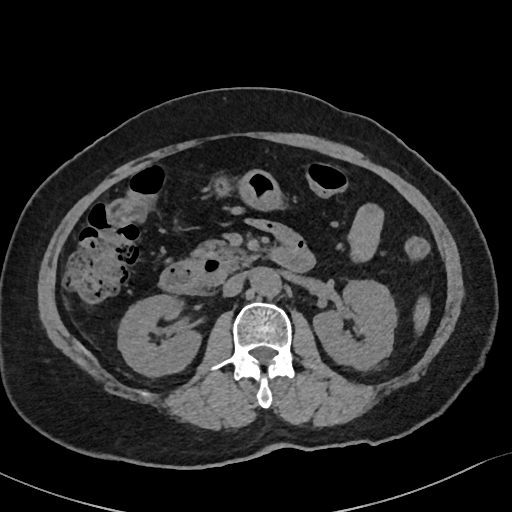 Abdominal CT · axial view · soft-tissue window (W 400 / L 40) · acquired on SOMATOM Force · scan has 15 labeled organs (counted over the whole 3D scan, not this slice; an organ is boxed only where this slice passes through it)
Boxes: x1 y1 x2 y2 (pixel coords, space-separated).
spleen: 415 299 429 326
right kidney: 117 294 199 375
left kidney: 314 279 397 369
stomach: 215 171 279 207
aorta: 249 266 278 296
inferior vena cava: 223 273 244 295
pancreas: 191 240 258 270
duodenum: 160 240 314 294